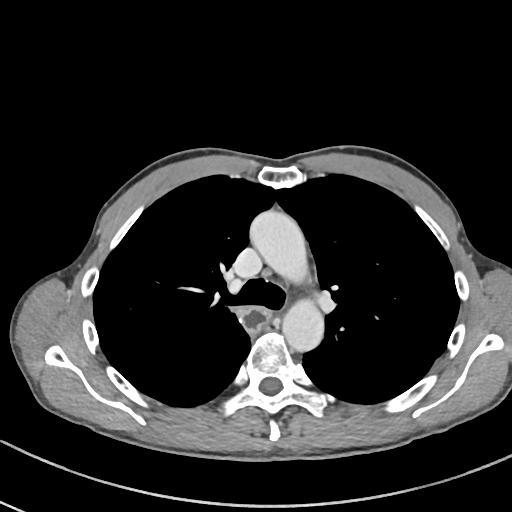

Chest-level slice from an abdominal CT that extends up into the chest. axial view
At this level of the chest no structure but the esophagus and the aorta has a label in this dataset, and those two are boxed only where they are labeled. Boxes: x1:y1:x2:y2 in pixels. 2 labeled organs on this slice — esophagus at 238:305:271:330; aorta at 249:210:308:283; aorta at 282:299:324:351.